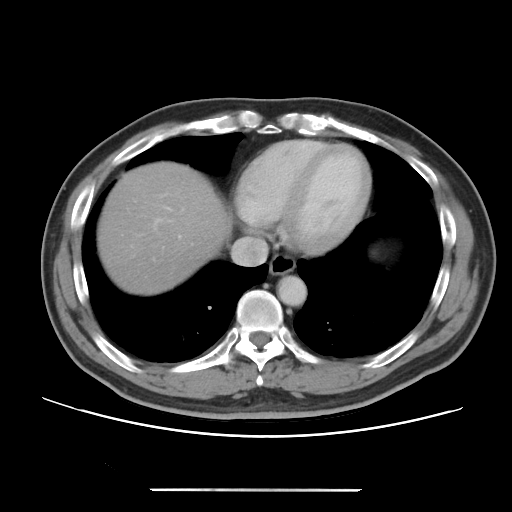 Computed tomography, abdomen; axial view; 512x512 px; acquired on SOMATOM Force
{"organs":{"esophagus":[269,254,295,275],"liver":[97,161,231,295],"aorta":[277,276,306,305],"inferior vena cava":[230,236,269,266]}}